Computed tomography, abdomen — axial view — 512x512 px — acquired on SOMATOM Force
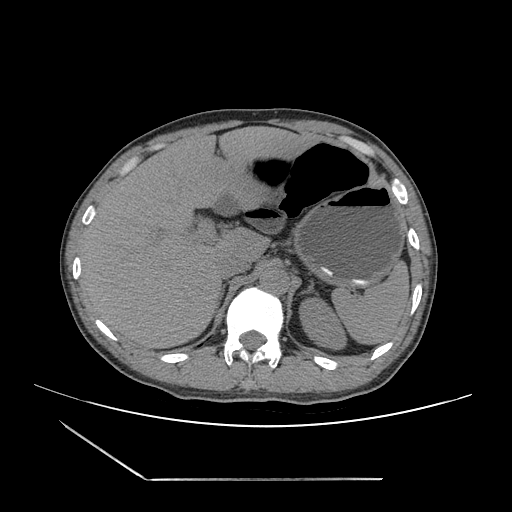
{"organs":{"spleen":[332,259,409,344],"left kidney":[298,296,348,350],"gall bladder":[209,191,242,216],"liver":[81,126,317,348],"stomach":[295,183,404,287],"aorta":[259,267,289,294],"inferior vena cava":[215,255,248,280],"right adrenal gland":[214,285,224,312],"left adrenal gland":[300,279,317,293]}}